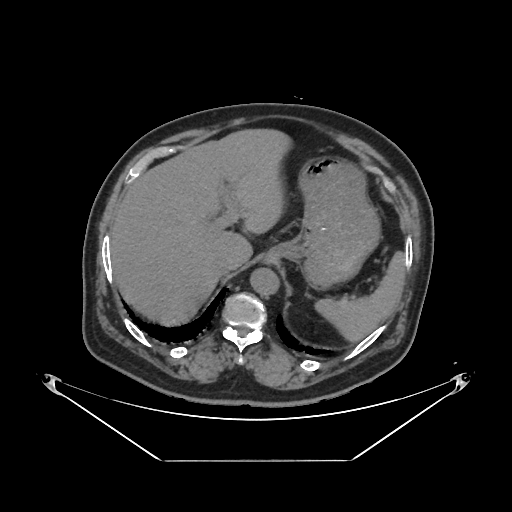 Abdominal CT; axial view; 512x512 px; SOMATOM Force scanner; scan has 15 labeled organs (that count is for the whole scan; organs this slice misses have no box)
Boxes: x1 y1 x2 y2 (pixel coords, space-separated).
spleen: 314 251 404 341
stomach: 264 156 379 289
inferior vena cava: 215 255 238 274
liver: 110 129 288 322
aorta: 250 268 279 295